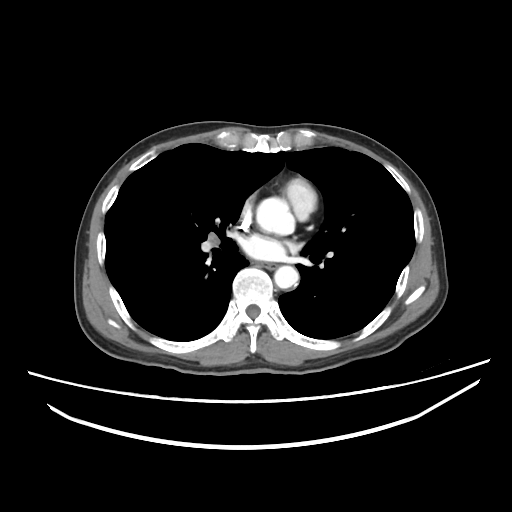

Abdominal CT reaching into the chest; this slice is in the chest. axial view. 512x512 px. 63-year-old male patient
At this level of the chest this dataset labels only the esophagus and the aorta, and each is boxed only where it is labeled; the heart and lungs are never labeled.
Boxes: x1 y1 x2 y2 (pixel coords, space-separated).
Organ bounding boxes:
- esophagus: 261 264 275 271
- aorta: 256 197 294 234
- aorta: 274 265 298 288